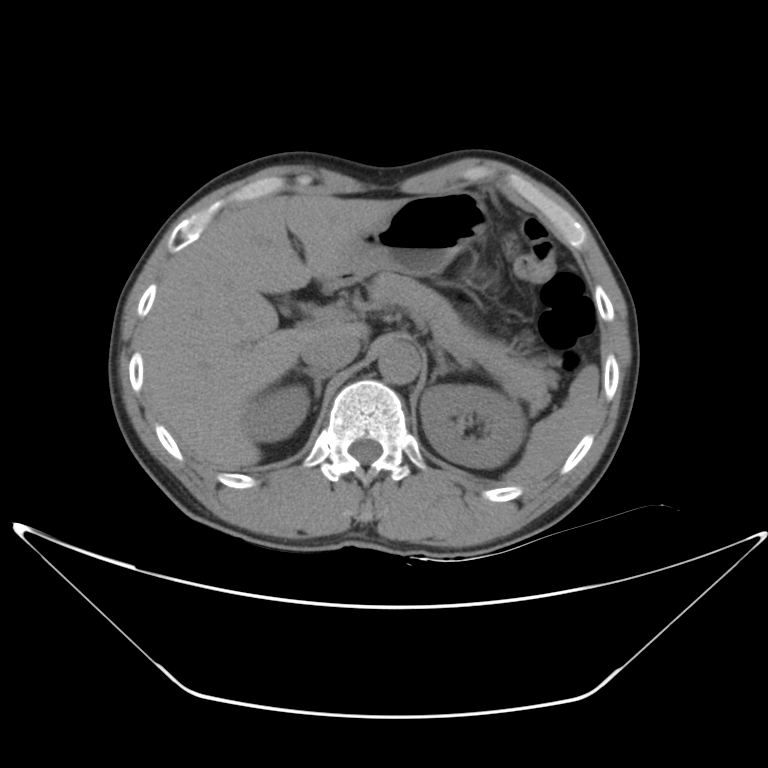
Computed tomography, abdomen. axial plane, index 73. W/L 400/40 HU. 768x768 px. 51-year-old male patient. Brilliance16 scanner
Bounding boxes in pixels, one row per box: x1, y1 is the top-left corner and x2, y2 the bottom-right.
| organ | x1 | y1 | x2 | y2 |
|---|---|---|---|---|
| spleen | 509 | 365 | 597 | 483 |
| right kidney | 240 | 387 | 310 | 442 |
| left kidney | 422 | 384 | 521 | 468 |
| gall bladder | 278 | 297 | 291 | 310 |
| liver | 144 | 196 | 407 | 467 |
| stomach | 319 | 192 | 494 | 288 |
| aorta | 376 | 341 | 418 | 383 |
| inferior vena cava | 303 | 334 | 359 | 367 |
| pancreas | 365 | 270 | 557 | 413 |
| right adrenal gland | 300 | 368 | 326 | 397 |
| left adrenal gland | 428 | 341 | 454 | 384 |